CT, abdomen/pelvis; axial view; 512x512 px; 60-year-old male patient; acquired on Aquilion ONE
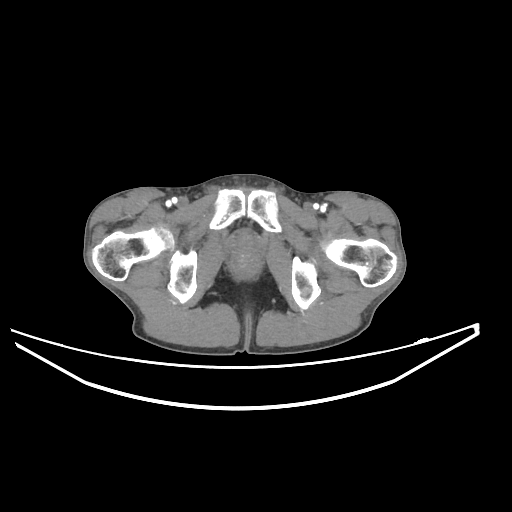

Bounding boxes in pixels, one row per box: x1, y1 is the top-left corner and x2, y2 the bottom-right.
| organ | x1 | y1 | x2 | y2 |
|---|---|---|---|---|
| prostate/uterus | 229 | 232 | 261 | 261 |